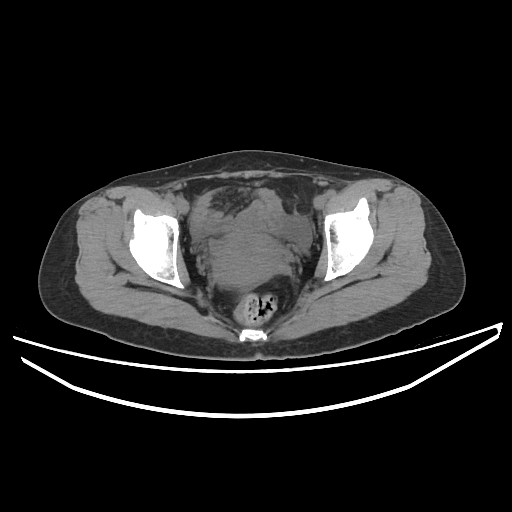 CT, abdomen/pelvis — axial view
Boxes are (x1, y1, x2, y2) in pixels.
Organ bounding boxes:
- prostate/uterus: (213, 232, 282, 285)